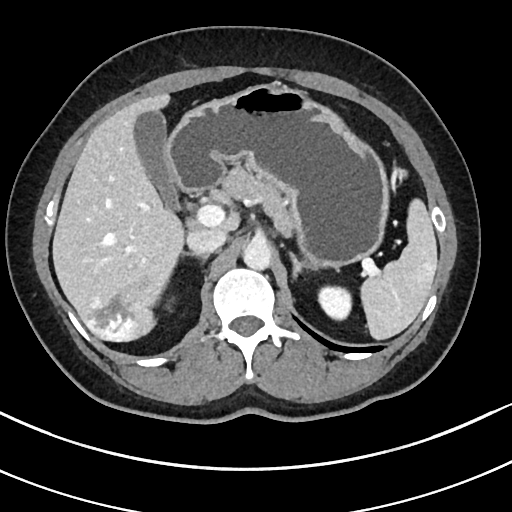

Computed tomography, abdomen. axial plane, index 155. soft-tissue window
Bounding boxes in pixels, one row per box: x1, y1 is the top-left corner and x2, y2 the bottom-right.
| organ | x1 | y1 | x2 | y2 |
|---|---|---|---|---|
| left kidney | 317 | 286 | 352 | 320 |
| spleen | 362 | 197 | 437 | 340 |
| liver | 53 | 94 | 239 | 341 |
| left adrenal gland | 286 | 249 | 319 | 274 |
| inferior vena cava | 187 | 227 | 226 | 254 |
| right adrenal gland | 179 | 250 | 204 | 259 |
| aorta | 243 | 238 | 271 | 268 |
| duodenum | 174 | 181 | 200 | 232 |
| gall bladder | 133 | 109 | 178 | 211 |
| pancreas | 219 | 165 | 292 | 232 |
| stomach | 165 | 84 | 387 | 264 |